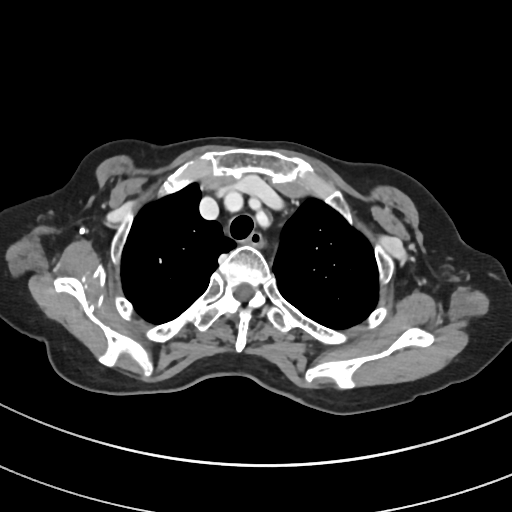

CT of the abdomen extending into the chest, slice through the chest · axial view · soft-tissue window (W 400 / L 40) · 512x512 px
On a slice this high in the chest, this dataset labels only the esophagus and the aorta, and each is boxed only where it is labeled; the heart, lungs and other chest structures are not labeled.
<organs><organ name="esophagus" x1="245" y1="231" x2="263" y2="245"/></organs>